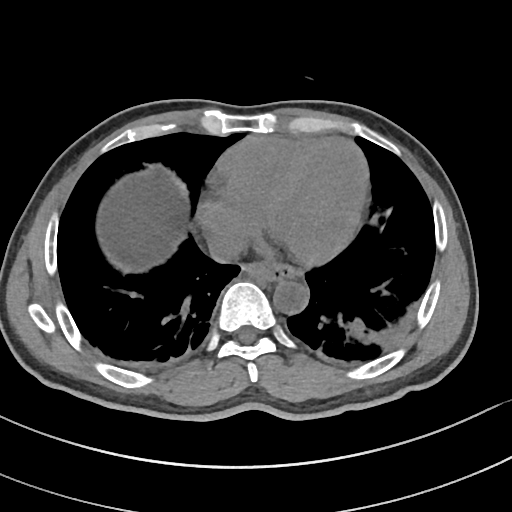
Lower-chest slice from an abdominal CT, just above the liver and spleen. axial view. W/L 400/40 HU. 512x512 px
Of the structures in the chest, this dataset labels only the esophagus, the aorta and the inferior vena cava; the heart and lungs have no label. Bounding boxes as [x1, y1, x2, y2] in pixel coordinates. Labeled organs on this slice: esophagus at [240, 265, 299, 283], aorta at [273, 281, 308, 315], inferior vena cava at [208, 234, 245, 262].